Abdominal CT · axial view · soft-tissue window · 768x768 px · 24-year-old male patient
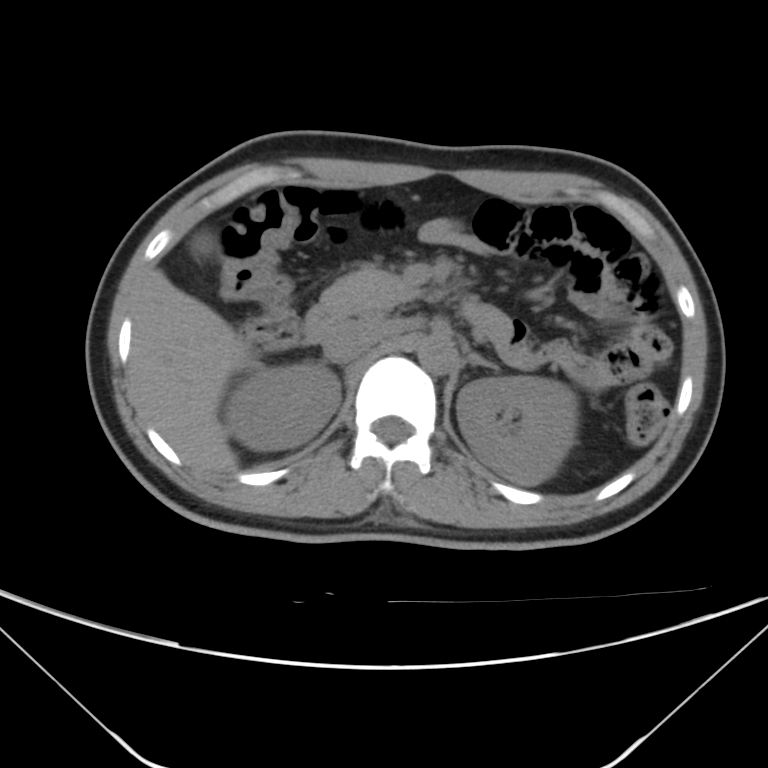
<organs><organ name="right kidney" x1="225" y1="363" x2="341" y2="450"/><organ name="left kidney" x1="456" y1="376" x2="577" y2="486"/><organ name="gall bladder" x1="194" y1="234" x2="212" y2="253"/><organ name="liver" x1="129" y1="270" x2="251" y2="474"/><organ name="aorta" x1="417" y1="335" x2="456" y2="375"/><organ name="inferior vena cava" x1="322" y1="319" x2="385" y2="363"/><organ name="pancreas" x1="316" y1="265" x2="419" y2="316"/><organ name="left adrenal gland" x1="469" y1="353" x2="499" y2="370"/><organ name="duodenum" x1="304" y1="303" x2="513" y2="346"/></organs>